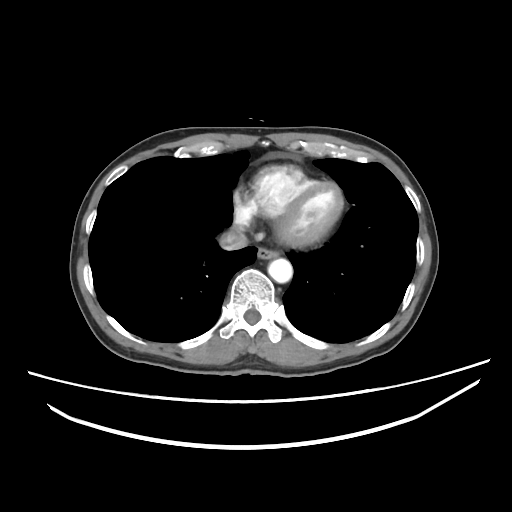 Lower-chest slice from an abdominal CT, just above the liver and spleen; Axial slice 55/109; 63-year-old male patient; acquired on Aquilion ONE
The heart and lungs are never labeled in this dataset, so they have no box on this slice.
Coordinates as <box>x1,y1,x2,y2</box> in pixels.
esophagus: <box>257,247,279,259</box>
aorta: <box>267,258,292,283</box>
inferior vena cava: <box>219,227,248,250</box>